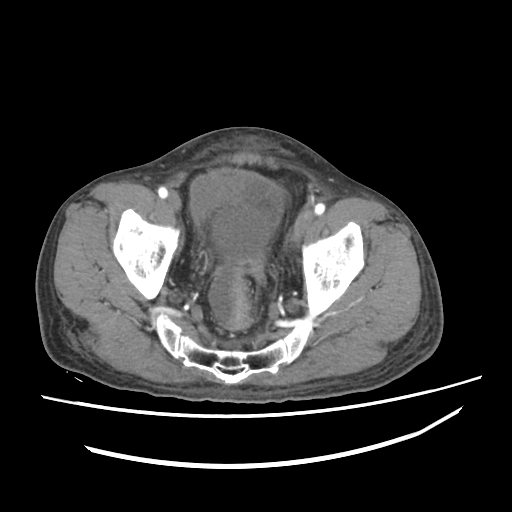 CT abdomen; Axial slice 31/103; soft-tissue window (W 400 / L 40); acquired on Aquilion ONE
One row per box, in pixels: columns x1 and y1 give the top-left corner, x2 and y2 the bottom-right.
| organ | x1 | y1 | x2 | y2 |
|---|---|---|---|---|
| bladder | 191 | 170 | 283 | 221 |